CT, abdomen/pelvis. axial view
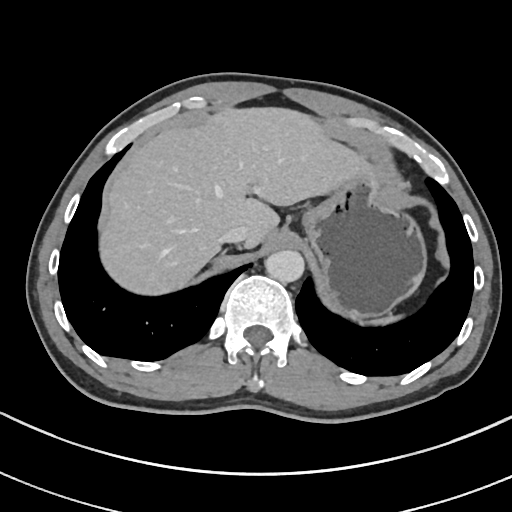
{"organs":{"spleen":[370,314,401,322],"liver":[100,106,368,294],"stomach":[303,168,427,319],"aorta":[264,249,303,282],"inferior vena cava":[219,227,248,243]}}